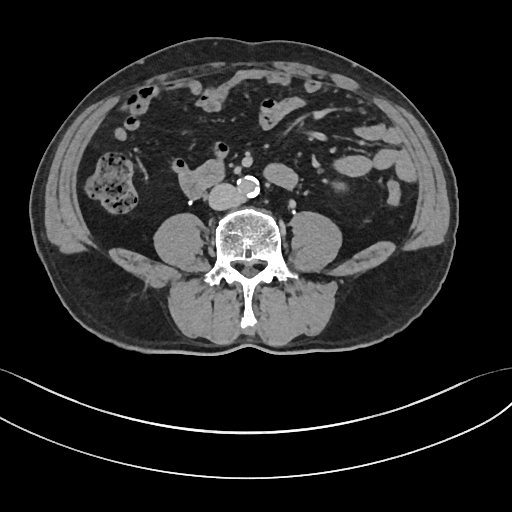 Abdominal CT. axial view. soft-tissue window (W 400 / L 40). 512x512 px
One row per box, in pixels: columns x1 and y1 give the top-left corner, x2 and y2 the bottom-right.
| organ | x1 | y1 | x2 | y2 |
|---|---|---|---|---|
| left kidney | 335 | 184 | 344 | 189 |
| aorta | 238 | 176 | 259 | 197 |
| inferior vena cava | 208 | 183 | 242 | 210 |
| duodenum | 180 | 162 | 222 | 197 |